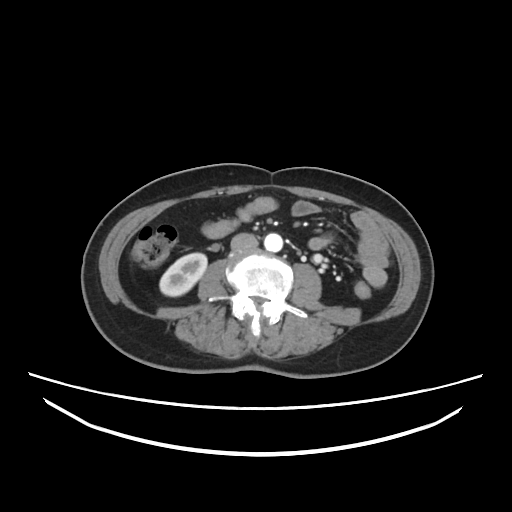 Computed tomography, abdomen — axial view — 512x512 px — scan has 15 labeled organs (a whole-scan count: organs this slice does not pass through have no box)
Bounding boxes in pixels, one row per box: x1, y1 is the top-left corner and x2, y2 the bottom-right.
| organ | x1 | y1 | x2 | y2 |
|---|---|---|---|---|
| right kidney | 160 | 252 | 207 | 296 |
| aorta | 264 | 233 | 284 | 251 |
| inferior vena cava | 230 | 233 | 257 | 253 |